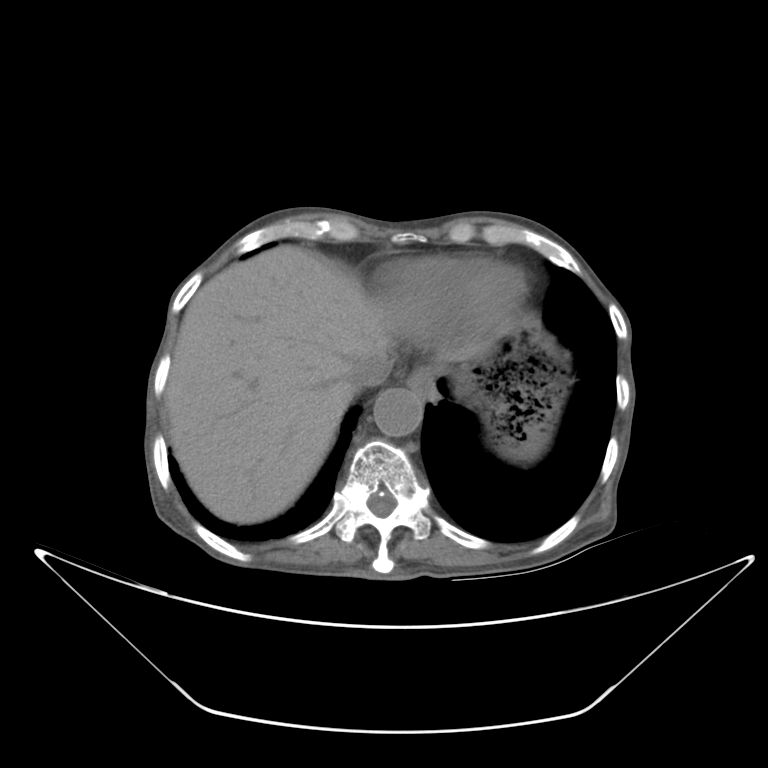

Abdominal CT · axial view · 68-year-old male patient · scan has 13 labeled organs (a whole-scan count: organs this slice does not pass through have no box)
{"organs":{"stomach":[407,316,573,464],"inferior vena cava":[348,350,393,387],"liver":[162,243,391,522],"aorta":[374,388,422,436],"esophagus":[408,377,438,400]}}